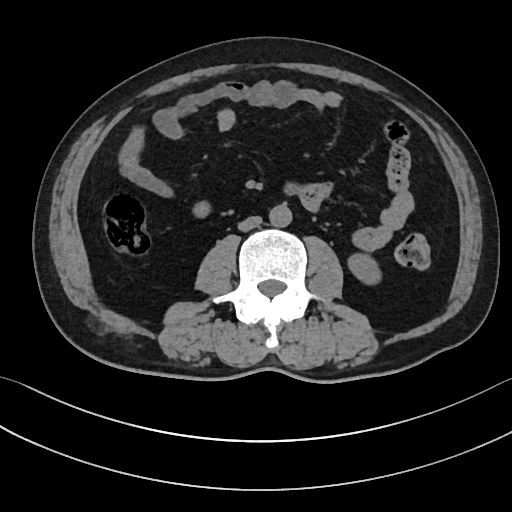
Computed tomography, abdomen; Axial slice 123/231; soft-tissue window; 512x512 px
Coordinates as <box>x1,y1,x2,y2</box> in pixels. 3 labeled organs on this slice — left kidney at <box>349,254,378,284</box>; aorta at <box>269,204,292,227</box>; inferior vena cava at <box>238,216,261,231</box>.